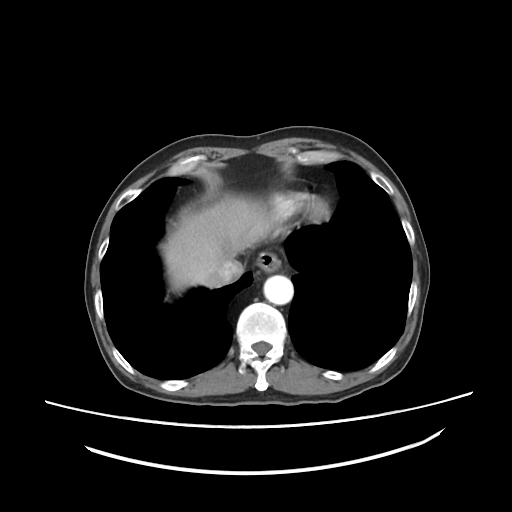

CT, abdomen/pelvis; Axial slice 81/135; abdomen soft-tissue window; 512x512 px; 68-year-old male patient; Aquilion ONE scanner
<organs><organ name="aorta" x1="263" y1="275" x2="293" y2="304"/><organ name="esophagus" x1="256" y1="251" x2="281" y2="272"/><organ name="liver" x1="160" y1="194" x2="272" y2="289"/><organ name="inferior vena cava" x1="216" y1="259" x2="243" y2="284"/></organs>